Abdominal CT — Axial slice 12/121 — SOMATOM Force scanner — scan has 15 labeled organs (a whole-scan count: organs this slice does not pass through have no box)
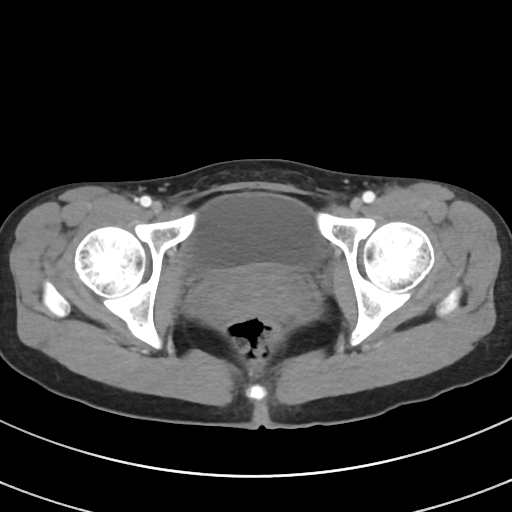

<organs><organ name="bladder" x1="188" y1="193" x2="323" y2="272"/><organ name="prostate/uterus" x1="207" y1="265" x2="302" y2="318"/></organs>